CT abdomen; axial view
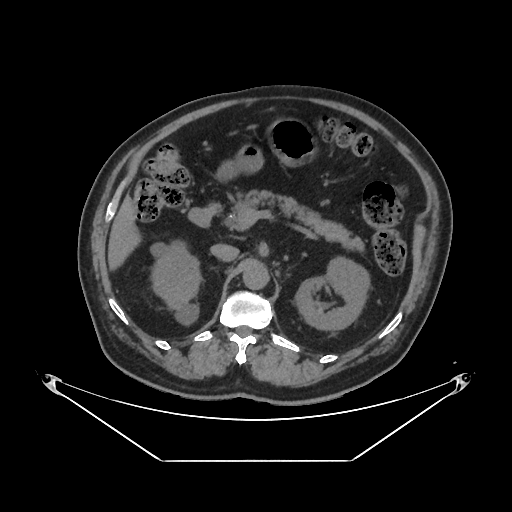 {"organs":{"right kidney":[151,239,201,321],"left kidney":[295,256,369,330],"liver":[107,195,141,270],"stomach":[215,119,317,181],"aorta":[243,262,269,289],"inferior vena cava":[210,244,239,261],"pancreas":[225,191,364,251],"duodenum":[188,203,221,227]}}